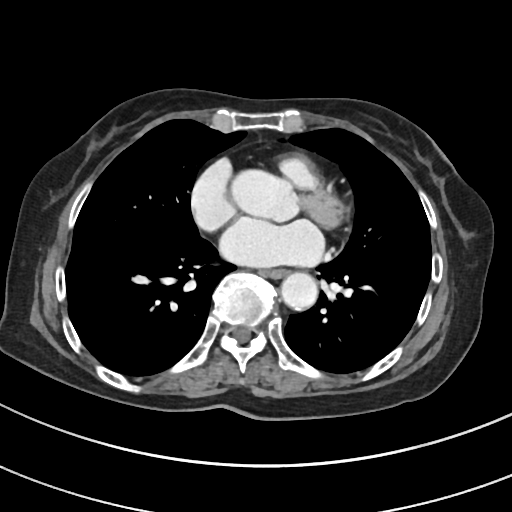

CT of the abdomen reaching into the lower chest, slice just above the liver and spleen — axial view
Of the structures in the chest, this dataset labels only the esophagus, the aorta and the inferior vena cava; the heart and lungs have no label.
Boxes: x1 y1 x2 y2 (pixel coords, space-separated).
Organ bounding boxes:
- esophagus: 263 269 288 278
- aorta: 281 273 317 310